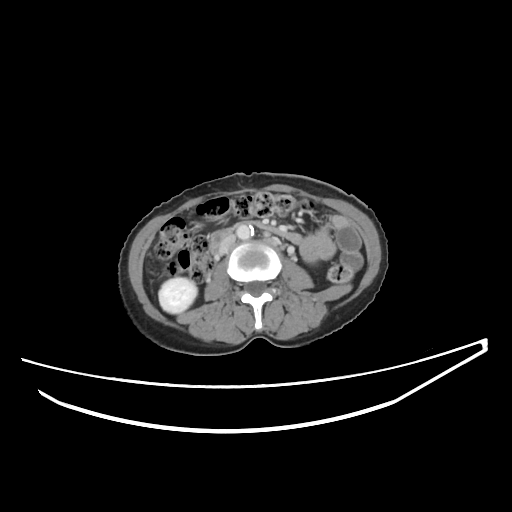 CT, abdomen/pelvis — axial view — 62-year-old female patient
Bounding boxes in pixels, one row per box: x1, y1 is the top-left corner and x2, y2 the bottom-right.
| organ | x1 | y1 | x2 | y2 |
|---|---|---|---|---|
| right kidney | 158 | 277 | 197 | 313 |
| aorta | 236 | 225 | 253 | 239 |
| inferior vena cava | 218 | 234 | 235 | 254 |
| duodenum | 210 | 221 | 298 | 252 |